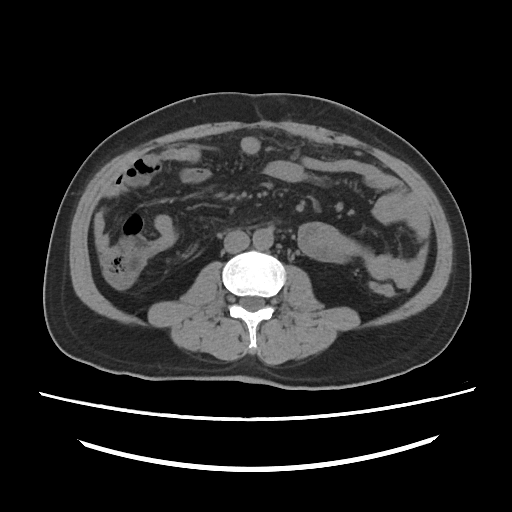
Computed tomography, abdomen. Axial slice 48/87. 512x512 px. scan has 14 labeled organs (a whole-scan count: organs this slice does not pass through have no box)
Boxes: x1:y1:x2:y2 in pixels.
aorta: 253:228:273:249
inferior vena cava: 224:230:249:253